Abdominal CT. axial plane, index 61. abdomen soft-tissue window
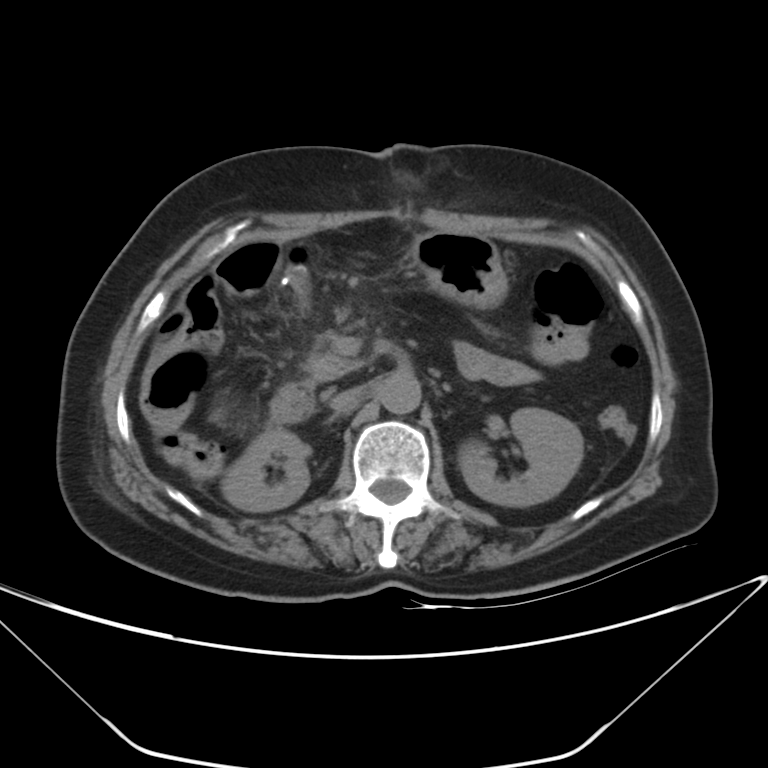 Coordinates as <box>x1,y1,x2,y2</box> in pixels.
Organ bounding boxes:
- right kidney: <box>221,428,308,511</box>
- left kidney: <box>458,408,583,506</box>
- stomach: <box>414,232,507,308</box>
- aorta: <box>378,373,421,414</box>
- inferior vena cava: <box>330,388,360,412</box>
- pancreas: <box>308,353,360,380</box>
- duodenum: <box>270,383,314,422</box>